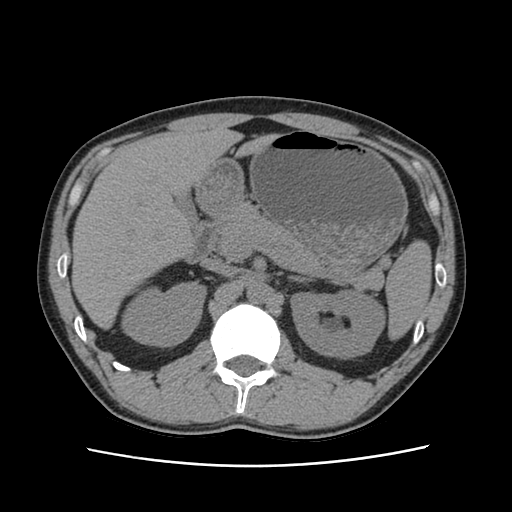
CT abdomen — axial view
{"organs":{"spleen":[386,241,431,338],"right kidney":[122,284,205,346],"left kidney":[291,290,387,357],"gall bladder":[175,194,200,226],"liver":[70,130,284,329],"stomach":[193,130,408,273],"aorta":[246,280,272,304],"inferior vena cava":[201,257,236,275],"pancreas":[216,204,382,289],"left adrenal gland":[288,275,316,282],"duodenum":[188,218,219,263]}}